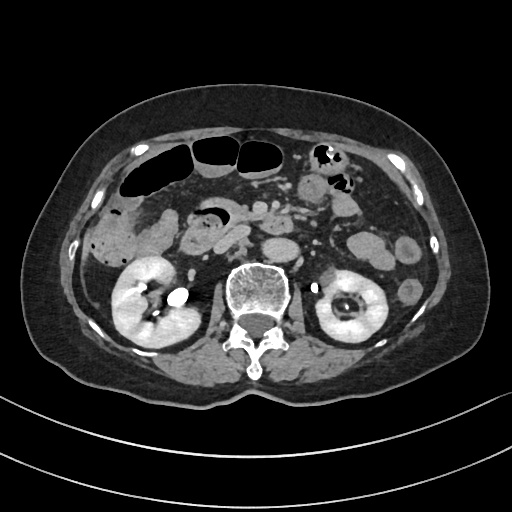

Abdominal CT. Axial slice 138/212. abdomen soft-tissue window. 512x512 px. SOMATOM Force scanner. 15 organs annotated in this scan (counted over the whole 3D scan, not this slice; an organ is boxed only where this slice passes through it)
<organs><organ name="right kidney" x1="112" y1="257" x2="201" y2="348"/><organ name="left kidney" x1="315" y1="269" x2="388" y2="343"/><organ name="liver" x1="80" y1="230" x2="90" y2="262"/><organ name="stomach" x1="308" y1="142" x2="350" y2="177"/><organ name="aorta" x1="259" y1="238" x2="295" y2="261"/><organ name="inferior vena cava" x1="213" y1="226" x2="248" y2="253"/><organ name="pancreas" x1="205" y1="198" x2="255" y2="221"/><organ name="duodenum" x1="179" y1="200" x2="294" y2="254"/></organs>